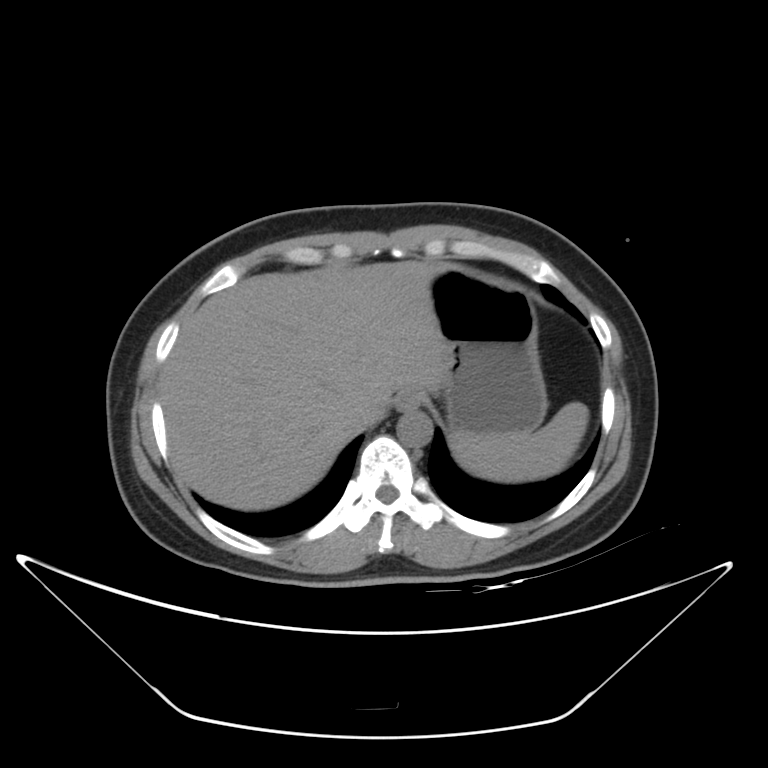
CT, abdomen/pelvis — axial view — 768x768 px — 39-year-old female patient
Boxes: x1 y1 x2 y2 (pixel coords, space-separated).
spleen: 450 401 588 482
esophagus: 396 389 421 411
liver: 160 260 446 511
stomach: 431 269 547 435
aorta: 396 410 433 447
inferior vena cava: 342 408 375 433